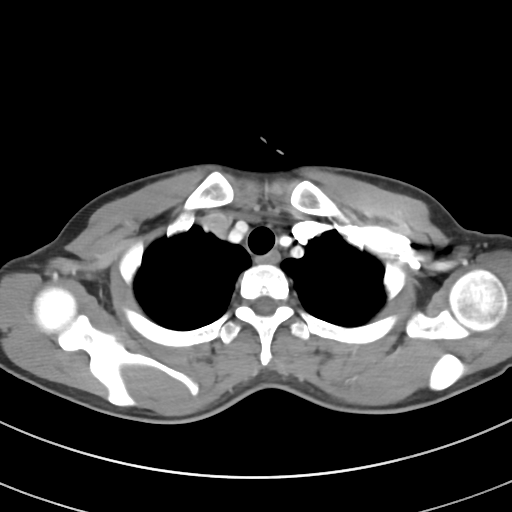 Chest-level CT slice, above the liver and spleen — Axial slice 113/121 — soft-tissue window (W 400 / L 40)
On a slice this high in the chest, this dataset labels only the esophagus and the aorta, and each is boxed only where it is labeled; the heart, lungs and other chest structures are not labeled. Box edges are left/top/right/bottom in pixels. 1 labeled organ on this slice — esophagus at left=255, top=252, right=278, bottom=263.